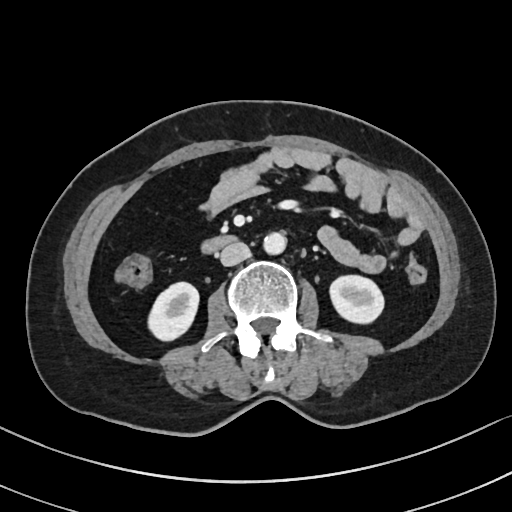 CT abdomen · Axial slice 130/314
Bounding boxes as [x1, y1, x2, y2] in pixel coordinates.
right kidney: [147, 283, 199, 340]
left kidney: [328, 275, 384, 322]
aorta: [264, 231, 287, 253]
inferior vena cava: [220, 242, 250, 265]
duodenum: [203, 235, 238, 254]